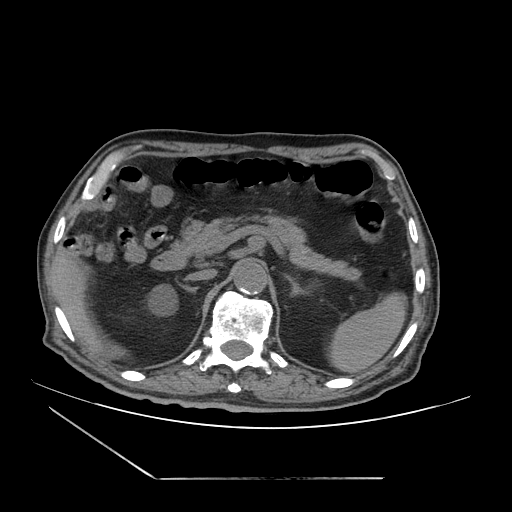

Abdominal CT — Axial slice 139/187 — W/L 400/40 HU
{"organs":{"spleen":[328,293,406,372],"right kidney":[146,284,177,316],"liver":[55,247,124,358],"aorta":[233,259,267,294],"inferior vena cava":[186,269,216,280],"pancreas":[172,214,361,281],"right adrenal gland":[180,285,198,292],"left adrenal gland":[284,274,305,295],"duodenum":[151,248,186,270]}}